Abdominal CT; axial view; W/L 400/40 HU; 512x512 px; SOMATOM Force scanner; scan has 15 labeled organs (a whole-scan count: organs this slice does not pass through have no box)
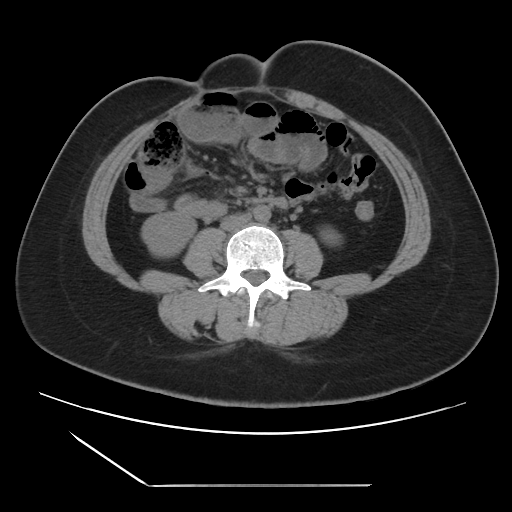

Boxes: x1:y1:x2:y2 in pixels.
inferior vena cava: 221:214:250:230
left kidney: 319:226:341:245
aorta: 253:205:270:221
right kidney: 141:212:196:256